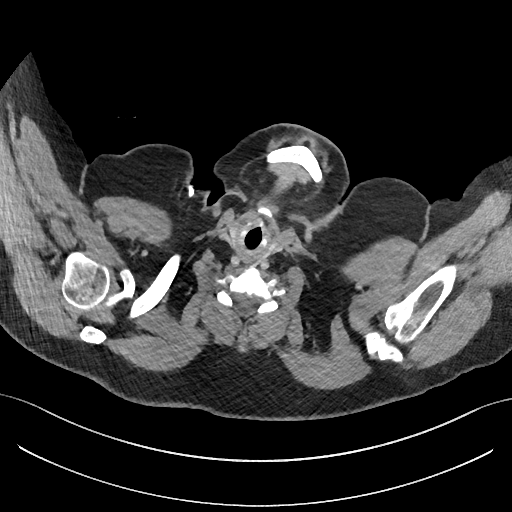 CT of the abdomen extending into the chest, slice through the chest · axial view · soft-tissue window, W/L 400/40 · SOMATOM Force scanner
On a slice this high in the chest, this dataset labels only the esophagus and the aorta, and each is boxed only where it is labeled; the heart, lungs and other chest structures are not labeled.
Box edges are left/top/right/bottom in pixels.
Organ bounding boxes:
- esophagus: left=243, top=252, right=251, bottom=262